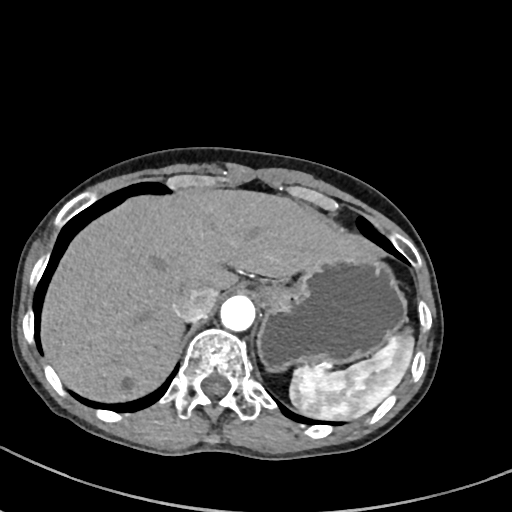 CT abdomen; axial view; abdomen soft-tissue window; 512x512 px
Bounding boxes as [x1, y1, x2, y2] in pixel coordinates. Labeled organs on this slice: spleen at [289, 333, 414, 419], liver at [41, 189, 386, 402], stomach at [257, 256, 406, 371], aorta at [220, 295, 255, 331], inferior vena cava at [175, 285, 218, 321].